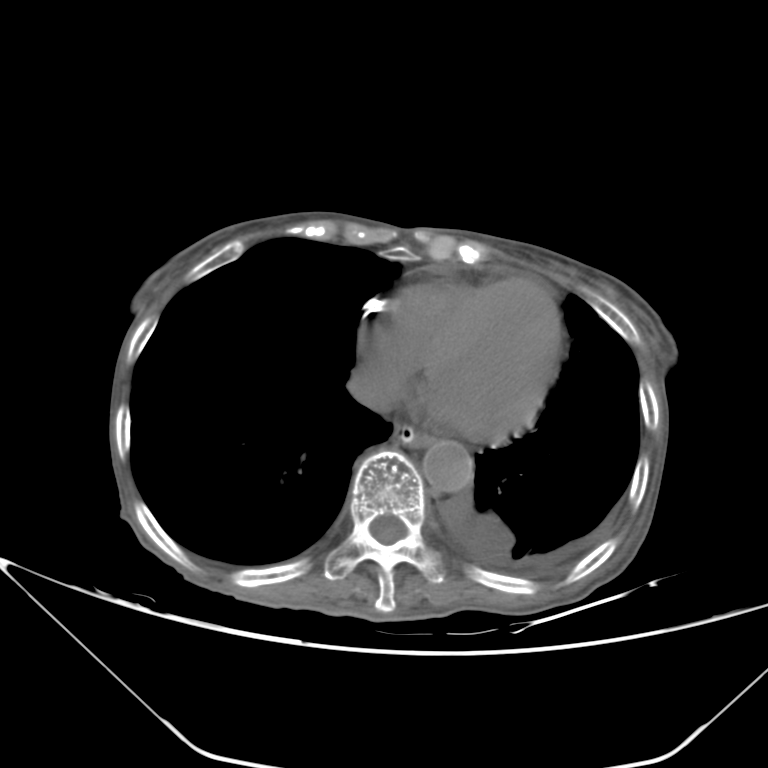
Lower-chest slice from an abdominal CT, just above the liver and spleen — axial view — W/L 400/40 HU — 768x768 px — 80-year-old female patient
The heart and lungs are never labeled in this dataset, so they have no box on this slice.
{"organs":{"esophagus":[394,424,431,447],"aorta":[422,440,473,492],"inferior vena cava":[348,366,397,411]}}